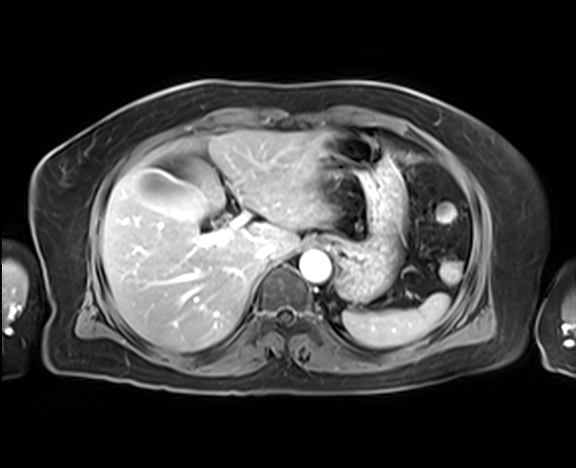 Abdominal MRI — axial view — Prisma scanner — scan has 13 labeled organs (that count is for the whole scan; organs this slice misses have no box)
{"organs":{"spleen":[342,293,449,347],"gall bladder":[130,166,203,219],"esophagus":[313,235,333,246],"liver":[101,130,331,351],"stomach":[320,128,405,302],"aorta":[299,251,330,282],"inferior vena cava":[257,243,275,261]}}